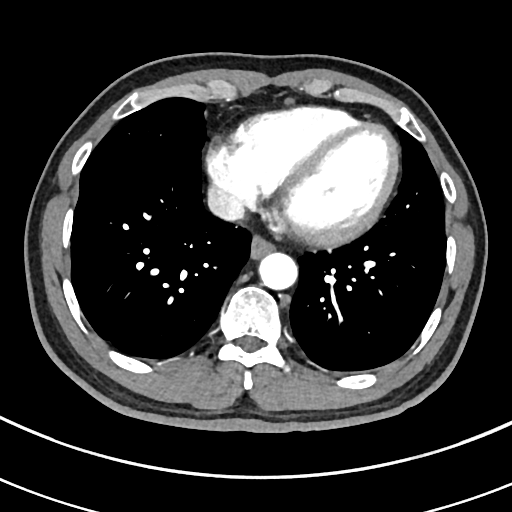 Abdominal CT; this slice is in the lower chest, just above the liver. axial plane, index 199. 512x512 px
No part of the heart or lungs is labeled in this dataset, so neither has a box here.
Boxes: x1:y1:x2:y2 in pixels.
esophagus: 251:233:275:256
aorta: 257:252:296:290
inferior vena cava: 207:187:243:221